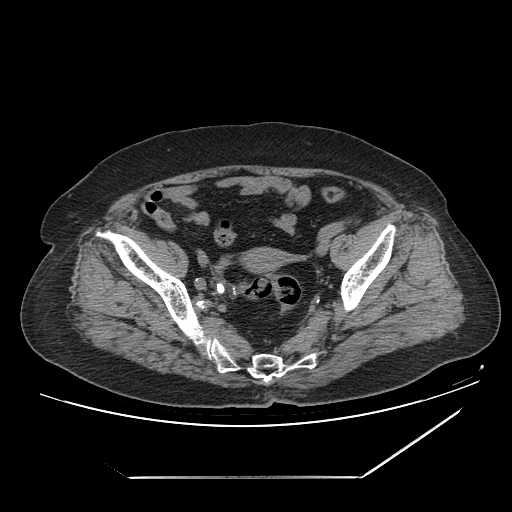

Computed tomography, abdomen. axial view. SOMATOM Force scanner. 15 organs annotated in this scan (that count is for the whole scan; organs this slice misses have no box)
Boxes: x1 y1 x2 y2 (pixel coords, space-separated).
Organ bounding boxes:
- prostate/uterus: 236 248 285 277